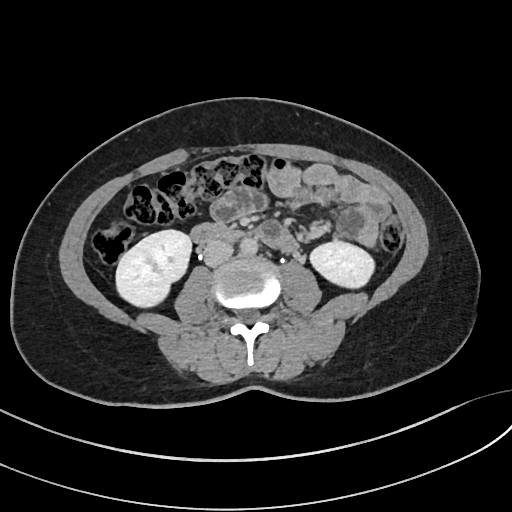 Abdominal CT. axial view. scan has 15 labeled organs (a whole-scan count: organs this slice does not pass through have no box)
{"organs":{"right kidney":[115,229,192,306],"left kidney":[309,241,375,287],"aorta":[240,239,257,255],"inferior vena cava":[203,240,233,267],"duodenum":[190,222,283,247]}}